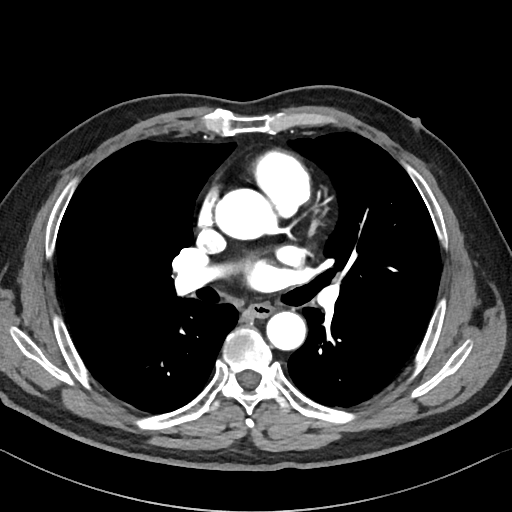 Lower-chest slice from an abdominal CT, just above the liver and spleen · axial view · soft-tissue window (W 400 / L 40) · 15 organs annotated in this scan (a whole-scan count: organs this slice does not pass through have no box)
No part of the heart or lungs is labeled in this dataset, so neither has a box here.
{"organs":{"esophagus":[249,303,272,317],"aorta":[[216,188,277,240],[266,311,306,350]]}}